CT, abdomen/pelvis; axial view; soft-tissue window; 768x768 px; acquired on Brilliance16
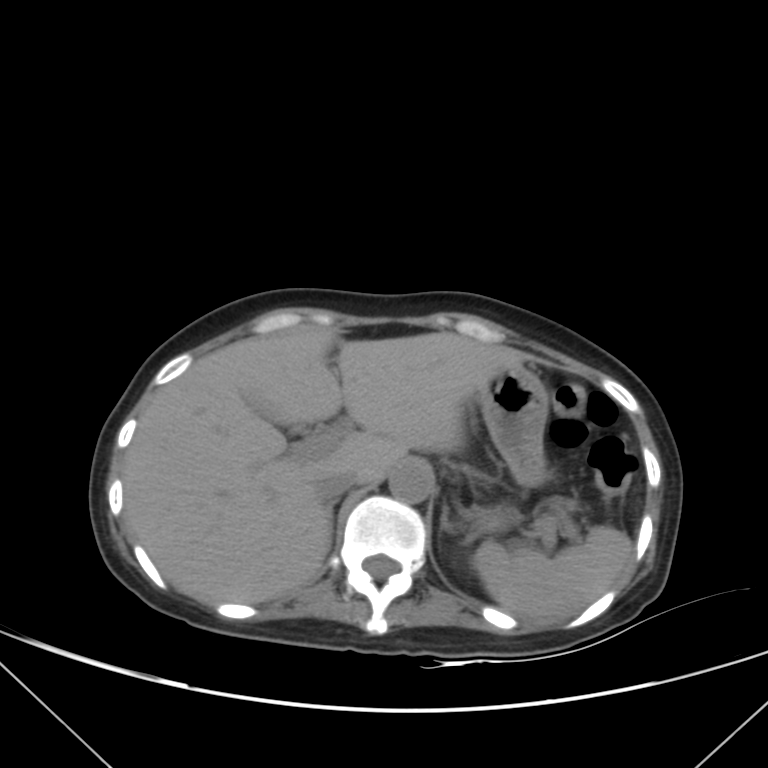 <organs><organ name="spleen" x1="472" y1="524" x2="632" y2="618"/><organ name="liver" x1="122" y1="326" x2="525" y2="603"/><organ name="stomach" x1="477" y1="365" x2="549" y2="528"/><organ name="aorta" x1="389" y1="460" x2="432" y2="503"/><organ name="inferior vena cava" x1="315" y1="470" x2="358" y2="501"/><organ name="right adrenal gland" x1="328" y1="499" x2="337" y2="517"/><organ name="left adrenal gland" x1="440" y1="504" x2="452" y2="532"/></organs>